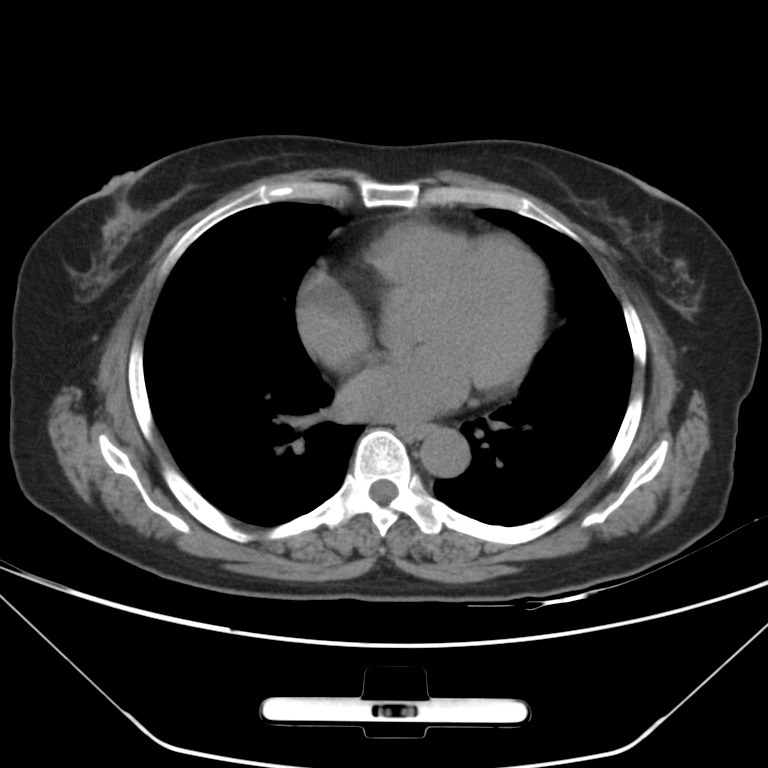
Abdominal CT; this slice is in the lower chest, just above the liver; axial plane, index 87; 768x768 px; Brilliance16 scanner
No part of the heart or lungs is labeled in this dataset, so neither has a box here.
Each box given as x1,y1,x2,y2.
esophagus: x1=400, y1=425, x2=429, y2=438
aorta: x1=419, y1=428, x2=469, y2=478